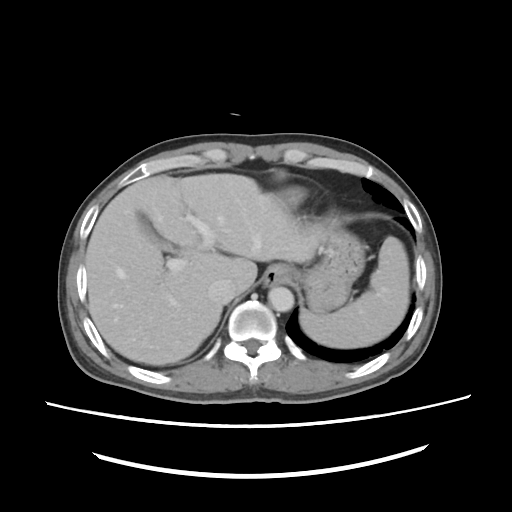

Abdominal CT · axial view · 45-year-old male patient
{"organs":{"liver":[86,173,324,365],"esophagus":[262,263,292,286],"aorta":[268,286,294,312],"spleen":[300,238,410,347],"gall bladder":[137,213,174,251],"stomach":[292,217,365,310],"inferior vena cava":[209,278,235,304]}}